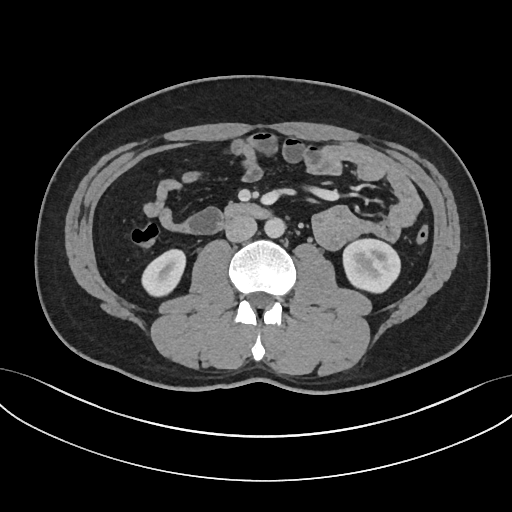
CT, abdomen/pelvis — Axial slice 148/345
Box edges are left/top/right/bottom in pixels.
Organ bounding boxes:
- right kidney: left=143, top=248, right=186, bottom=296
- left kidney: left=341, top=238, right=401, bottom=291
- aorta: left=264, top=218, right=284, bottom=238
- inferior vena cava: left=225, top=217, right=257, bottom=242
- duodenum: left=222, top=203, right=272, bottom=224